Lower-chest slice from an abdominal CT, just above the liver and spleen; axial plane, index 239; 512x512 px
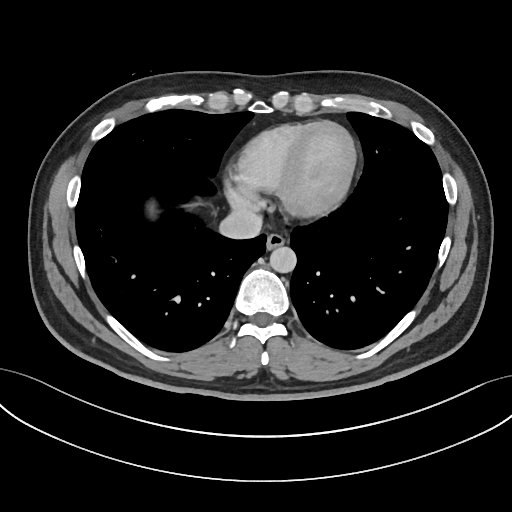 The heart and lungs are never labeled in this dataset, so they have no box on this slice. Each box given as x1,y1,x2,y2. Labeled organs on this slice: aorta at x1=269, y1=246, x2=296, y2=272, esophagus at x1=266, y1=232, x2=285, y2=249, inferior vena cava at x1=218, y1=211, x2=261, y2=240.